Chest-level slice from an abdominal CT that extends up into the chest · axial plane, index 252 · soft-tissue window (W 400 / L 40) · scan has 15 labeled organs (that count is for the whole scan; organs this slice misses have no box)
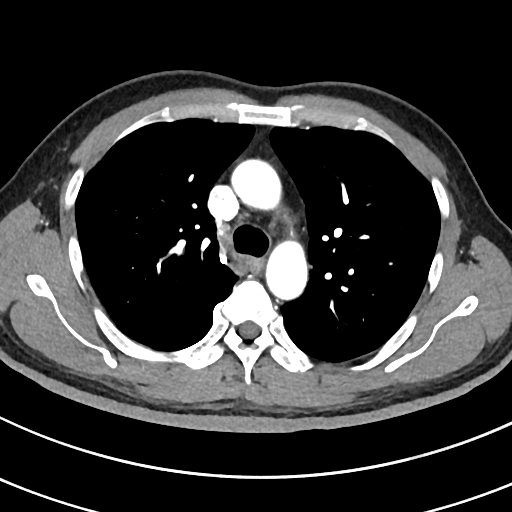 On a slice this high in the chest, this dataset labels only the esophagus and the aorta, and each is boxed only where it is labeled; the heart, lungs and other chest structures are not labeled.
Bounding boxes as [x1, y1, x2, y2] in pixel coordinates.
esophagus: [243, 257, 261, 271]
aorta: [232, 160, 308, 297]